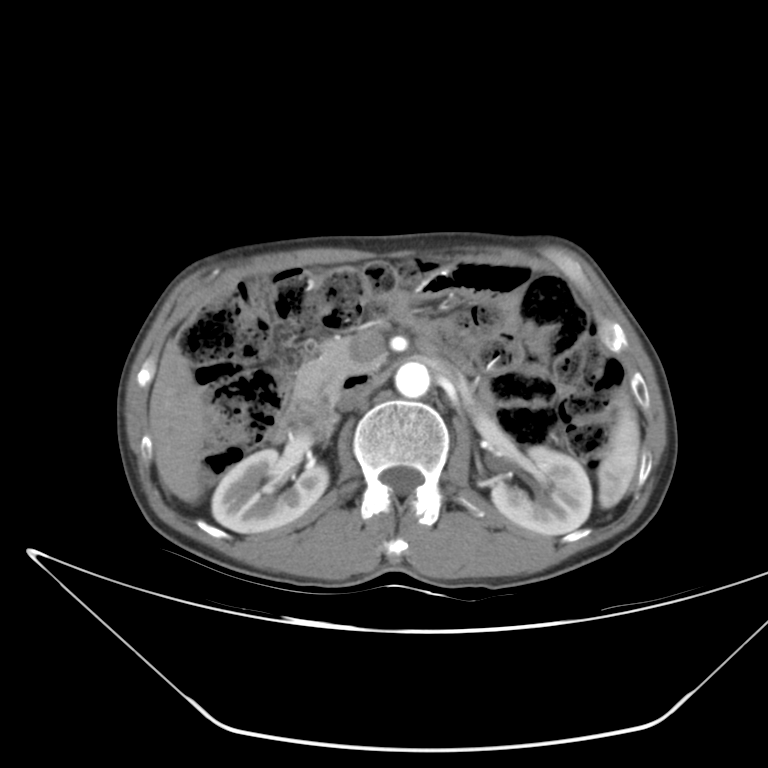 Computed tomography, abdomen — Axial slice 36/103
{"organs":{"right kidney":[211,449,328,533],"liver":[149,339,208,502],"inferior vena cava":[339,382,370,409],"spleen":[597,391,639,508],"left kidney":[491,445,591,535],"duodenum":[278,372,371,439],"pancreas":[294,339,377,401],"aorta":[394,361,430,398]}}